Abdominal CT — axial view — soft-tissue window (W 400 / L 40) — 512x512 px — scan has 15 labeled organs (a whole-scan count: organs this slice does not pass through have no box)
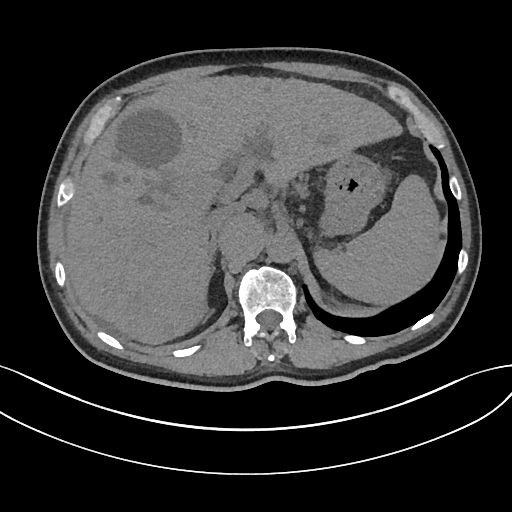
Boxes are (x1, y1, x2, y2) in pixels. 6 labeled organs on this slice — liver at (65, 75, 402, 344); aorta at (266, 233, 295, 263); stomach at (320, 153, 385, 236); inferior vena cava at (205, 206, 233, 236); right adrenal gland at (210, 238, 217, 273); spleen at (314, 174, 443, 304).